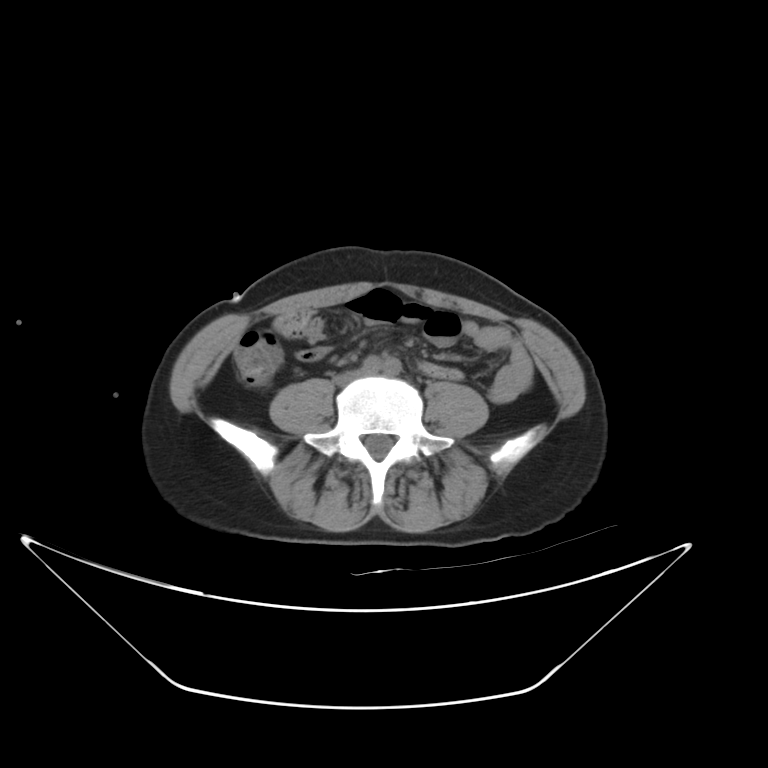

Abdominal CT. axial view. 768x768 px. 43-year-old female patient
Box edges are left/top/right/bottom in pixels. Labeled organs on this slice: inferior vena cava at left=336, top=371, right=359, bottom=384.